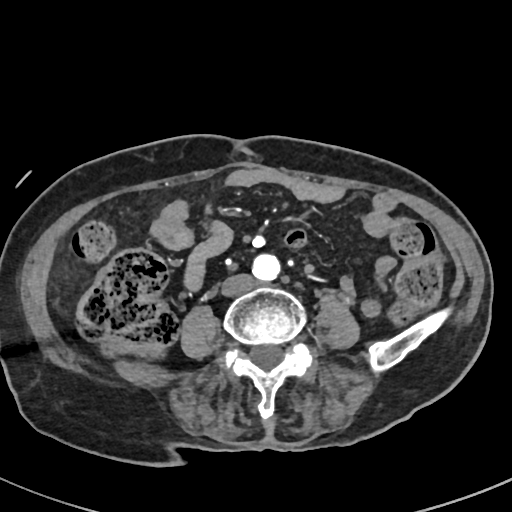 CT abdomen; Axial slice 98/279
Bounding boxes as [x1, y1, x2, y2] in pixel coordinates. Labeled organs on this slice: aorta at [252, 253, 279, 280], inferior vena cava at [221, 273, 254, 296].